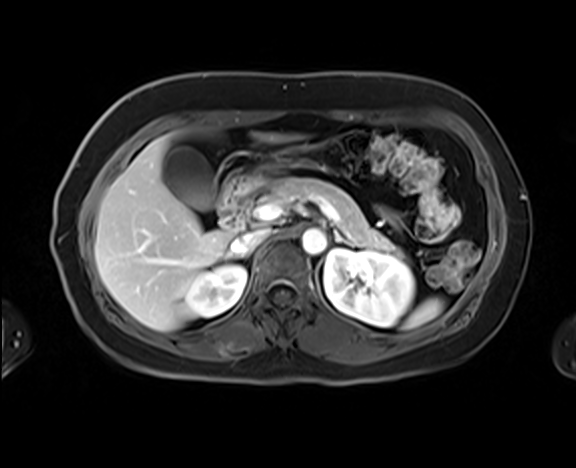

MRI, abdomen — axial view — 576x468 px — acquired on Prisma
{"organs":{"inferior vena cava":[230,229,269,254],"aorta":[301,229,326,254],"liver":[95,130,307,331],"pancreas":[260,177,400,255],"left adrenal gland":[334,231,353,248],"right kidney":[181,265,246,318],"duodenum":[220,174,256,230],"gall bladder":[163,147,215,210],"left kidney":[324,249,414,327],"stomach":[243,150,303,188],"spleen":[403,298,443,328]}}